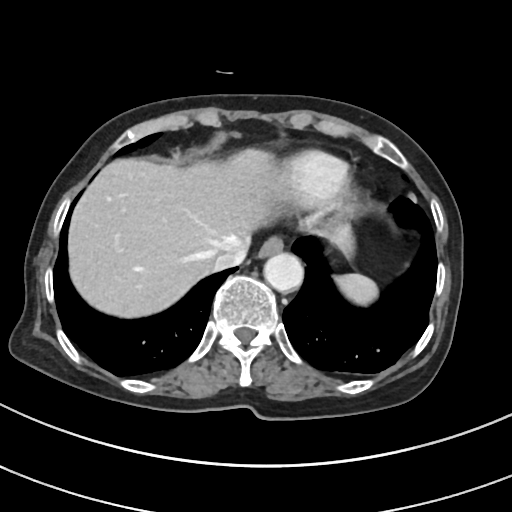 Abdominal CT. axial view
<organs><organ name="aorta" x1="264" y1="252" x2="303" y2="292"/><organ name="liver" x1="68" y1="148" x2="353" y2="317"/><organ name="esophagus" x1="259" y1="237" x2="283" y2="257"/><organ name="spleen" x1="335" y1="273" x2="377" y2="305"/><organ name="inferior vena cava" x1="213" y1="246" x2="247" y2="270"/></organs>